CT abdomen; axial plane, index 75; 15 organs annotated in this scan (that count is for the whole scan; organs this slice misses have no box)
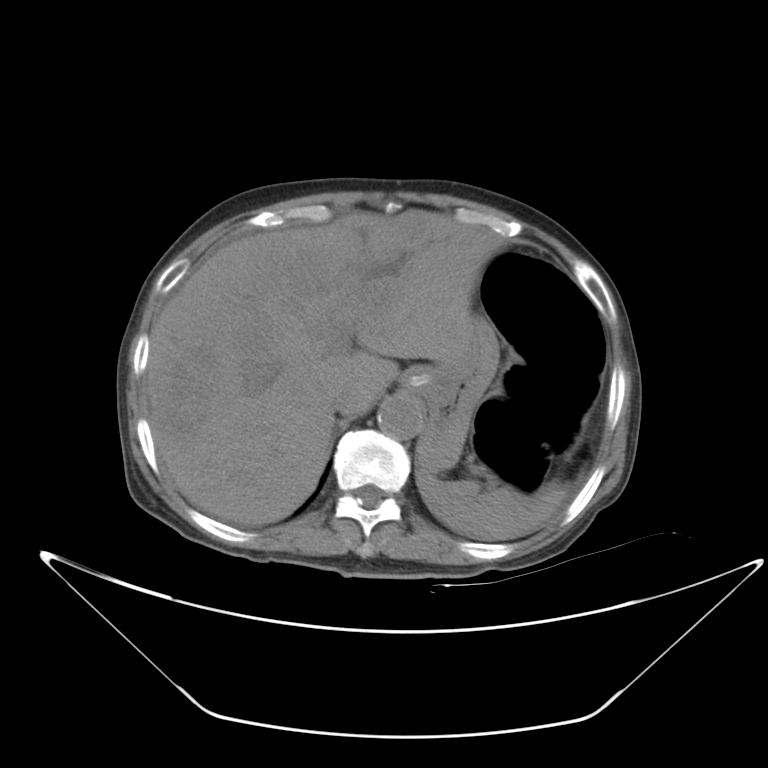

<organs><organ name="spleen" x1="417" y1="466" x2="567" y2="539"/><organ name="liver" x1="146" y1="209" x2="503" y2="525"/><organ name="stomach" x1="400" y1="256" x2="498" y2="473"/><organ name="aorta" x1="377" y1="394" x2="424" y2="440"/><organ name="inferior vena cava" x1="331" y1="390" x2="357" y2="414"/></organs>